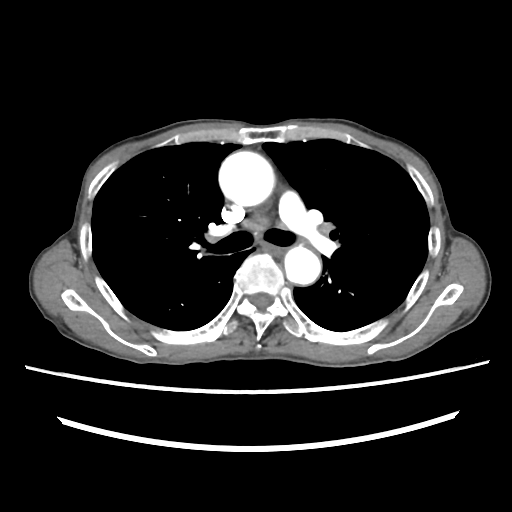
Chest-level slice from an abdominal CT that extends up into the chest · axial view · W/L 400/40 HU · 512x512 px · Aquilion ONE scanner
At this level of the chest no structure but the esophagus and the aorta has a label in this dataset, and those two are boxed only where they are labeled. Boxes are (x1, y1, x2, y2) in pixels. The annotated organs in this slice are: esophagus at (261, 244, 282, 256), aorta at (218, 151, 274, 206), aorta at (284, 246, 320, 284).